CT abdomen — Axial slice 187/251 — W/L 400/40 HU — acquired on SOMATOM Force
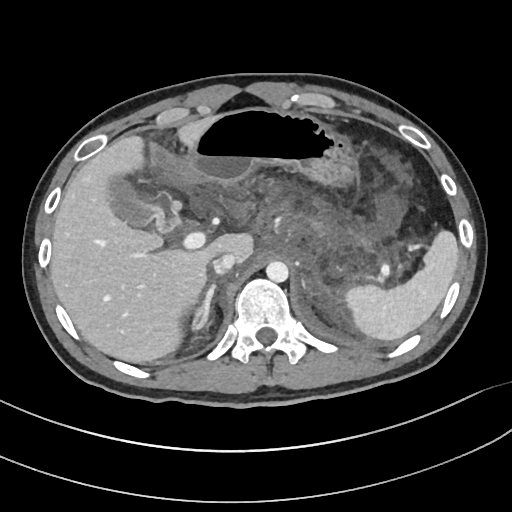 Organ boxes in pixel coordinates; each row gives the top-left (x1, y1) and bottom-right (x2, y2) corners.
| organ | x1 | y1 | x2 | y2 |
|---|---|---|---|---|
| spleen | 344 | 230 | 458 | 340 |
| gall bladder | 109 | 176 | 167 | 231 |
| liver | 50 | 117 | 253 | 363 |
| stomach | 177 | 107 | 356 | 243 |
| aorta | 265 | 261 | 288 | 282 |
| inferior vena cava | 213 | 253 | 236 | 274 |
| right adrenal gland | 193 | 283 | 215 | 329 |